Computed tomography, abdomen; Axial slice 106/163
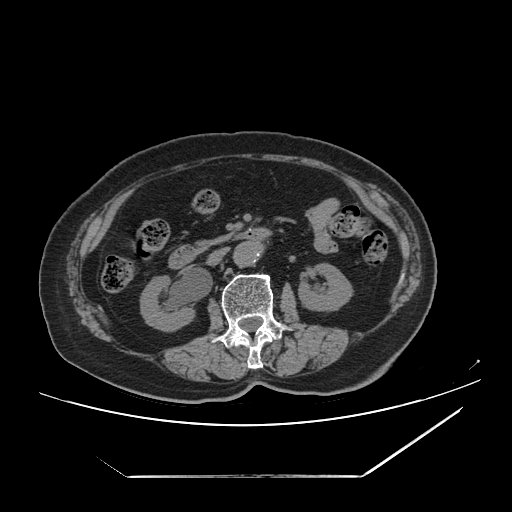
Coordinates as <box>x1,y1,x2,y2</box> in pixels. 6 labeled organs on this slice — left kidney at <box>299,263,353,312</box>; right kidney at <box>139,275,196,332</box>; inferior vena cava at <box>206,247,228,265</box>; pancreas at <box>192,234,232,252</box>; aorta at <box>232,243,258,267</box>; duodenum at <box>167,227,273,269</box>.